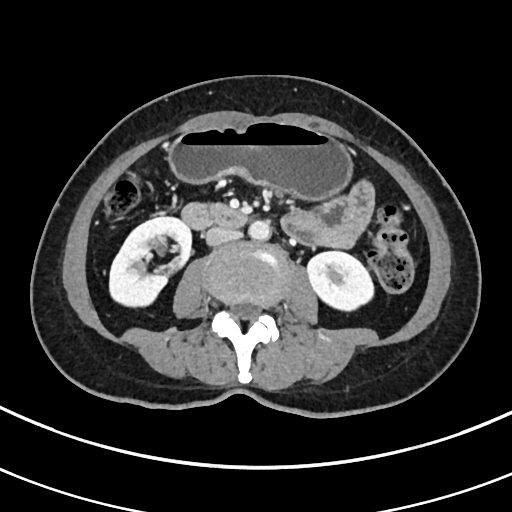 CT abdomen; axial plane, index 108; soft-tissue window
{"organs":{"duodenum":[182,203,248,229],"stomach":[168,120,351,201],"right kidney":[109,216,191,306],"aorta":[248,220,270,240],"inferior vena cava":[205,226,241,246],"left kidney":[307,251,373,310]}}